CT, abdomen/pelvis; axial view; soft-tissue window
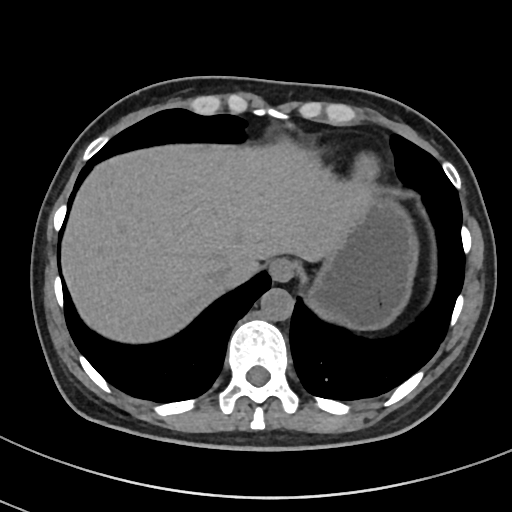
{"organs":{"aorta":[260,288,293,321],"esophagus":[269,257,297,281],"stomach":[310,193,415,329],"inferior vena cava":[211,268,232,285],"liver":[60,142,364,343]}}